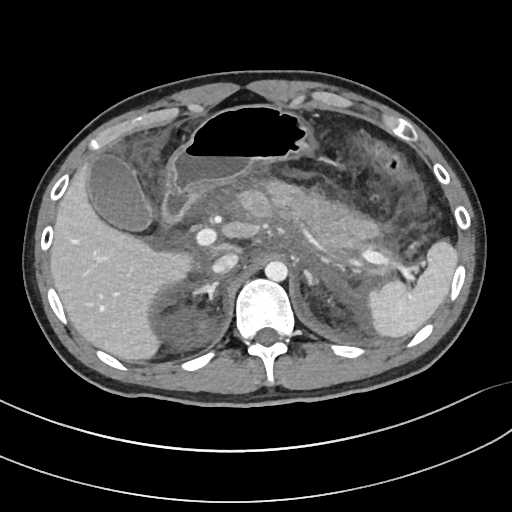

CT, abdomen/pelvis · axial view · 512x512 px
Bounding boxes as [x1, y1, x2, y2] in pixel coordinates.
spleen: [368, 243, 457, 337]
gall bladder: [86, 151, 150, 229]
liver: [50, 165, 242, 360]
stomach: [166, 104, 309, 197]
aorta: [264, 260, 287, 281]
inferior vena cava: [212, 253, 239, 273]
pancreas: [230, 179, 393, 272]
right adrenal gland: [192, 279, 219, 298]
left adrenal gland: [304, 269, 319, 289]
duodenum: [158, 191, 199, 228]